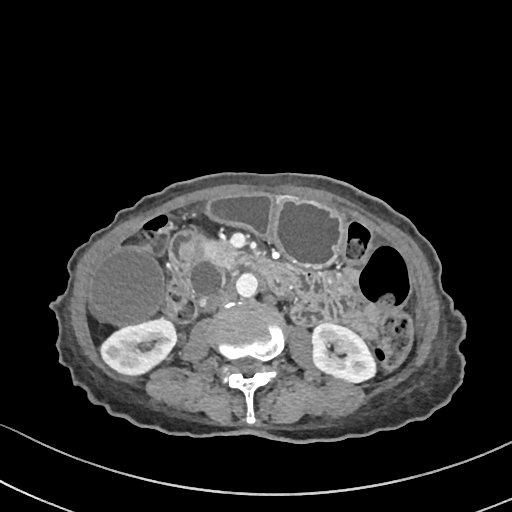
CT abdomen; axial view; abdomen soft-tissue window; SOMATOM Force scanner; scan has 15 labeled organs (that count is for the whole scan; organs this slice misses have no box)
Box edges are left/top/right/bottom in pixels. The annotated organs in this slice are: pancreas at left=185, top=235, right=244, bottom=271, right kidney at left=102, top=320, right=176, bottom=373, stomach at left=207, top=193, right=343, bottom=267, aorta at left=236, top=272, right=258, bottom=297, gall bladder at left=88, top=249, right=164, bottom=323, inferior vena cava at left=206, top=288, right=235, bottom=308, left kidney at left=312, top=323, right=375, bottom=383, duodenum at left=167, top=231, right=292, bottom=294.